Abdominal CT. axial plane, index 152. 512x512 px. scan has 15 labeled organs (a whole-scan count: organs this slice does not pass through have no box)
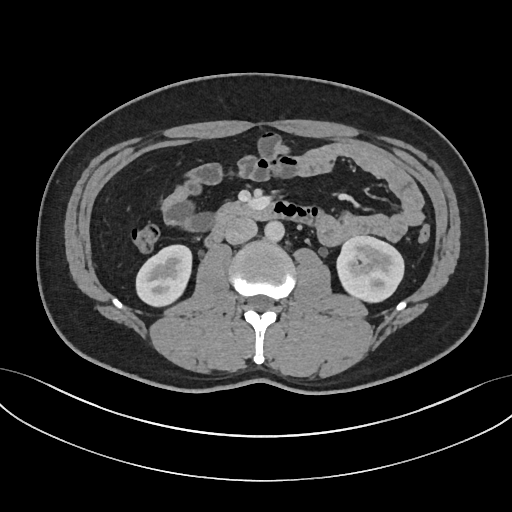 {"organs":{"right kidney":[135,244,192,305],"left kidney":[335,236,404,304],"aorta":[264,221,284,242],"inferior vena cava":[225,218,257,244],"duodenum":[202,200,321,248]}}